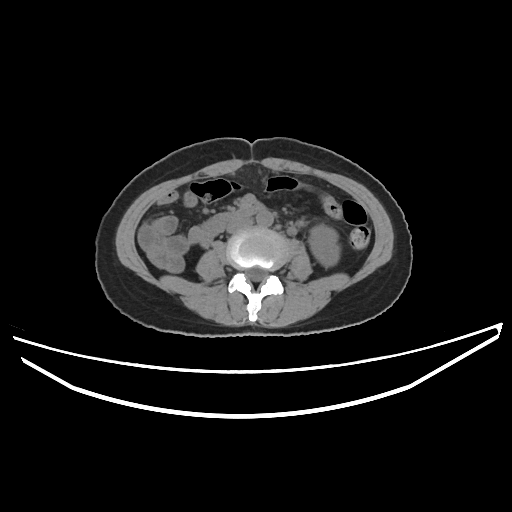
Computed tomography, abdomen — axial view — 512x512 px — 50-year-old female patient
Boxes are (x1, y1, x2, y2) in pixels.
left kidney: (309, 225, 340, 266)
aorta: (256, 210, 273, 227)
inferior vena cava: (226, 218, 253, 233)